Abdominal CT; axial view; soft-tissue window (W 400 / L 40); 768x768 px; Brilliance16 scanner; 15 organs annotated in this scan (a whole-scan count: organs this slice does not pass through have no box)
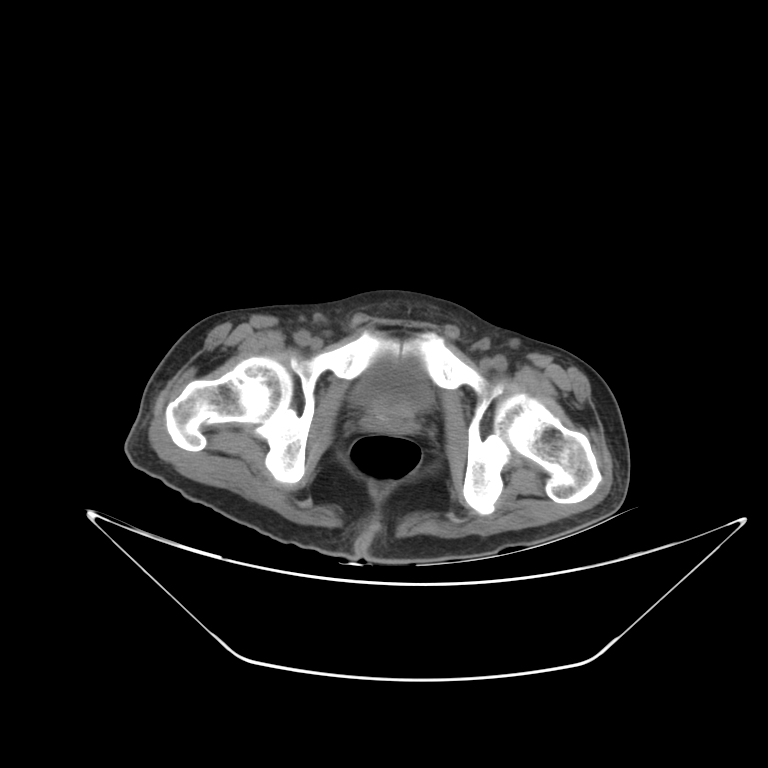

Boxes are (x1, y1, x2, y2) in pixels.
Organ bounding boxes:
- bladder: (353, 358, 430, 409)
- prostate/uterus: (367, 403, 411, 434)